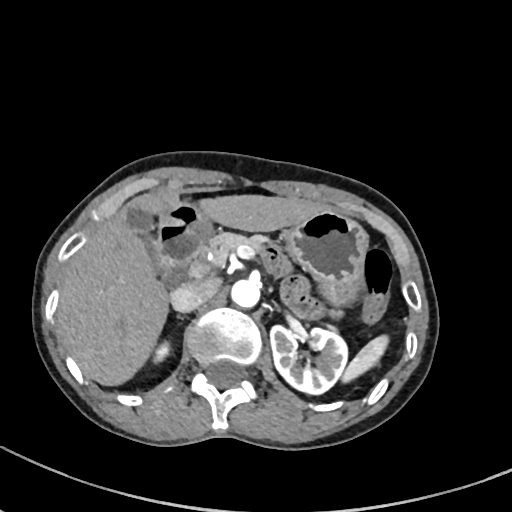 Abdominal CT; axial view; abdomen soft-tissue window; acquired on SOMATOM Force; scan has 15 labeled organs (a whole-scan count: organs this slice does not pass through have no box)
{"organs":{"right kidney":[152,341,169,361],"pancreas":[194,233,268,265],"aorta":[230,279,259,307],"stomach":[160,200,368,309],"inferior vena cava":[170,277,218,311],"left kidney":[268,325,348,394],"gall bladder":[127,205,154,248],"spleen":[342,336,389,382],"duodenum":[153,226,203,285],"liver":[58,189,326,384]}}